MRI of the abdomen reaching into the lower chest, slice just above the liver and spleen. axial plane, index 58. 1st–99th percentile window
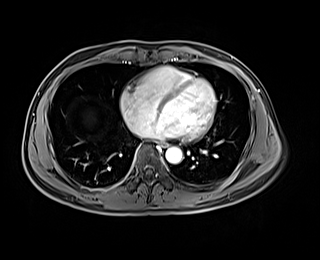

Of the structures in the chest, this dataset labels only the esophagus, the aorta and the inferior vena cava; the heart and lungs have no label.
Organ boxes in pixel coordinates; each row gives the top-left (x1, y1) and bottom-right (x2, y2) corners.
| organ | x1 | y1 | x2 | y2 |
|---|---|---|---|---|
| esophagus | 159 | 141 | 167 | 147 |
| aorta | 165 | 147 | 182 | 163 |